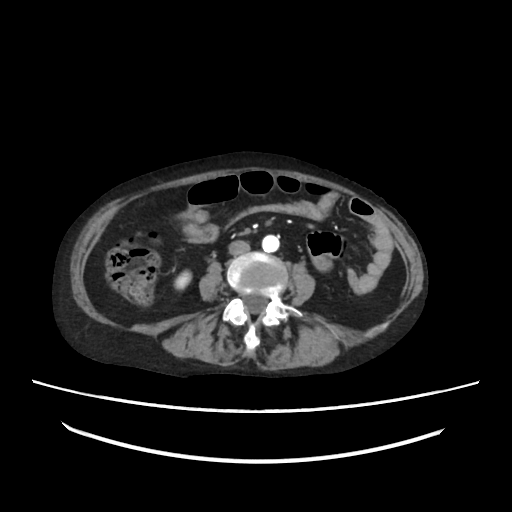

Computed tomography, abdomen. axial plane, index 44. 512x512 px. 15 organs annotated in this scan (a whole-scan count: organs this slice does not pass through have no box)
<organs><organ name="right kidney" x1="174" y1="271" x2="190" y2="289"/><organ name="aorta" x1="262" y1="236" x2="279" y2="251"/><organ name="inferior vena cava" x1="228" y1="239" x2="250" y2="255"/></organs>